MRI, abdomen. axial view. scan has 13 labeled organs (that count is for the whole scan; organs this slice misses have no box)
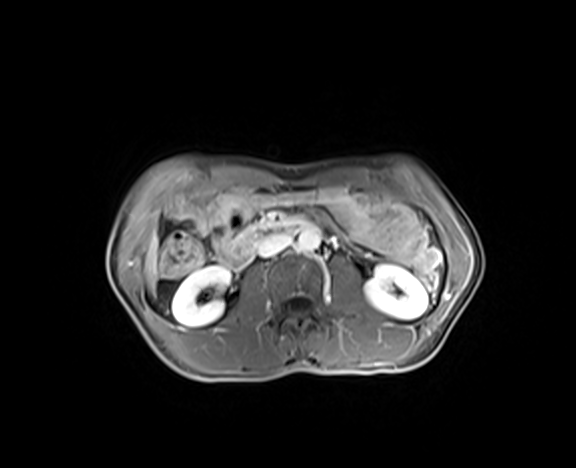 Bounding boxes in pixels, one row per box: x1, y1 is the top-left corner and x2, y2 the bottom-right.
| organ | x1 | y1 | x2 | y2 |
|---|---|---|---|---|
| right kidney | 172 | 265 | 231 | 327 |
| left kidney | 365 | 264 | 428 | 319 |
| liver | 145 | 232 | 158 | 290 |
| aorta | 298 | 228 | 320 | 252 |
| inferior vena cava | 256 | 234 | 292 | 256 |
| pancreas | 237 | 226 | 261 | 241 |
| duodenum | 217 | 222 | 308 | 270 |